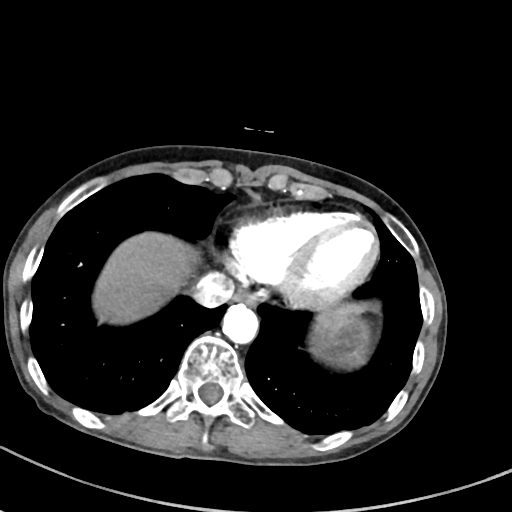
CT, abdomen/pelvis — axial view — 512x512 px
{"organs":{"aorta":[222,303,258,343],"esophagus":[232,287,257,304],"stomach":[308,315,369,365],"liver":[93,232,365,323],"inferior vena cava":[191,273,234,307]}}